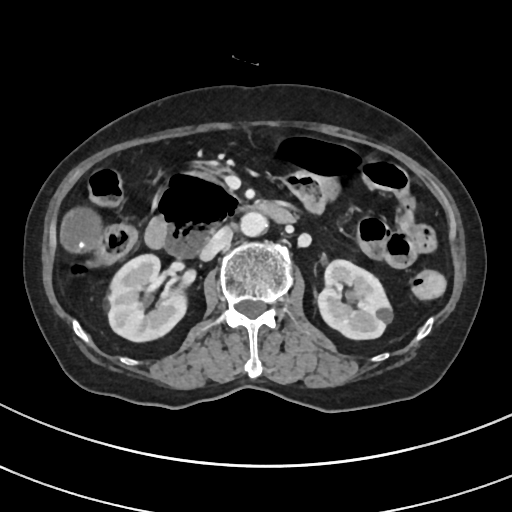
Abdominal CT; axial view; abdomen soft-tissue window; 15 organs annotated in this scan (that count is for the whole scan; organs this slice misses have no box)
{"organs":{"aorta":[239,212,265,237],"left kidney":[317,260,392,339],"inferior vena cava":[199,228,232,260],"gall bladder":[61,206,103,252],"right kidney":[108,255,189,342],"duodenum":[144,173,292,256]}}